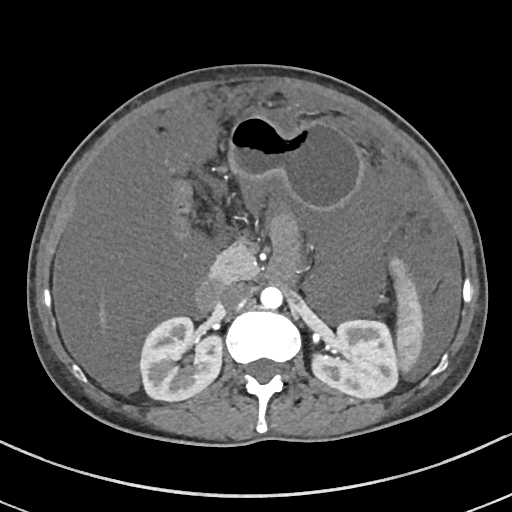
CT abdomen. axial view. W/L 400/40 HU. 15 organs annotated in this scan (a whole-scan count: organs this slice does not pass through have no box)
Box edges are left/top/right/bottom in pixels.
right kidney: left=140, top=317, right=221, bottom=401
pancreas: left=210, top=241, right=258, bottom=283
spleen: left=390, top=258, right=424, bottom=372
stomach: left=228, top=115, right=363, bottom=210
aorta: left=260, top=286, right=282, bottom=308
left kidney: left=312, top=320, right=397, bottom=398
inferior vena cava: left=218, top=284, right=248, bottom=309
liver: left=100, top=308, right=105, bottom=323
duodenum: left=195, top=275, right=280, bottom=312